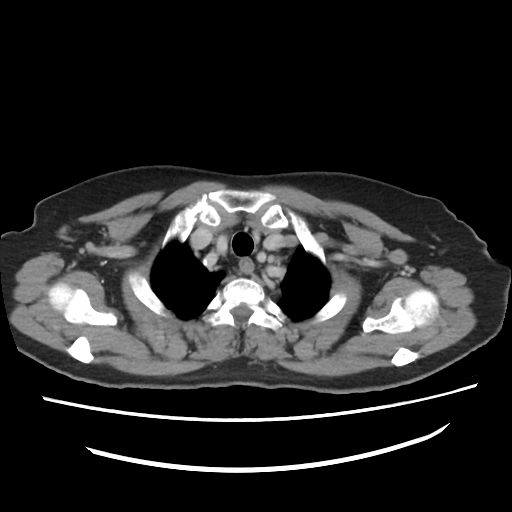

Abdominal CT reaching into the chest; this slice is in the chest; Axial slice 122/128; W/L 400/40 HU; 61-year-old female patient
On a slice this high in the chest, this dataset labels only the esophagus and the aorta, and each is boxed only where it is labeled; the heart, lungs and other chest structures are not labeled. Boxes: x1:y1:x2:y2 in pixels. Labeled organs on this slice: esophagus at 240:259:252:273.